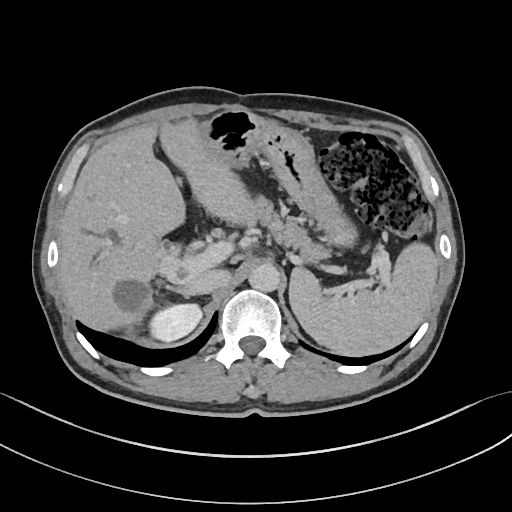

Abdominal CT — Axial slice 176/230 — 512x512 px — SOMATOM Force scanner
<organs><organ name="spleen" x1="288" y1="244" x2="439" y2="355"/><organ name="right kidney" x1="147" y1="302" x2="202" y2="340"/><organ name="liver" x1="58" y1="112" x2="283" y2="332"/><organ name="stomach" x1="207" y1="111" x2="356" y2="246"/><organ name="aorta" x1="249" y1="263" x2="280" y2="292"/><organ name="inferior vena cava" x1="187" y1="270" x2="229" y2="293"/><organ name="pancreas" x1="253" y1="196" x2="328" y2="265"/><organ name="right adrenal gland" x1="166" y1="286" x2="194" y2="298"/></organs>